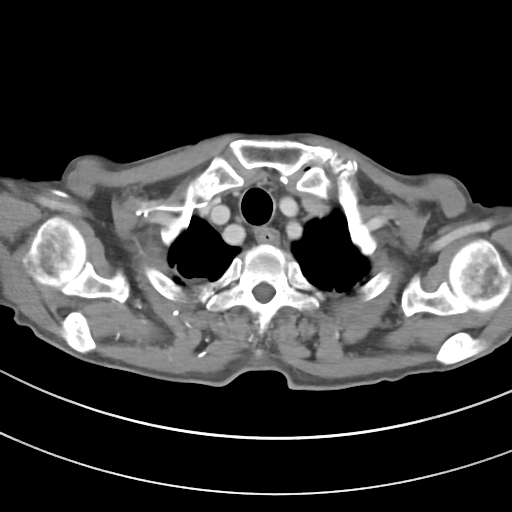 Abdominal CT reaching into the chest; this slice is in the chest · Axial slice 115/122 · soft-tissue window · 15 organs annotated in this scan (that count is for the whole scan; organs this slice misses have no box)
On a slice this high in the chest, this dataset labels only the esophagus and the aorta, and each is boxed only where it is labeled; the heart, lungs and other chest structures are not labeled.
<organs><organ name="esophagus" x1="257" y1="228" x2="278" y2="242"/></organs>